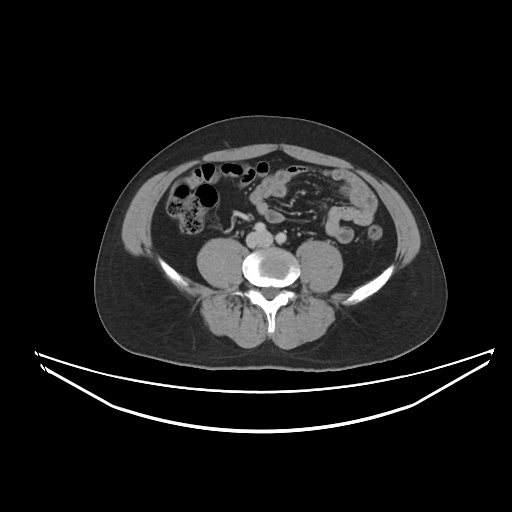
CT abdomen; axial view
{"organs":{"inferior vena cava":[246,231,271,246]}}